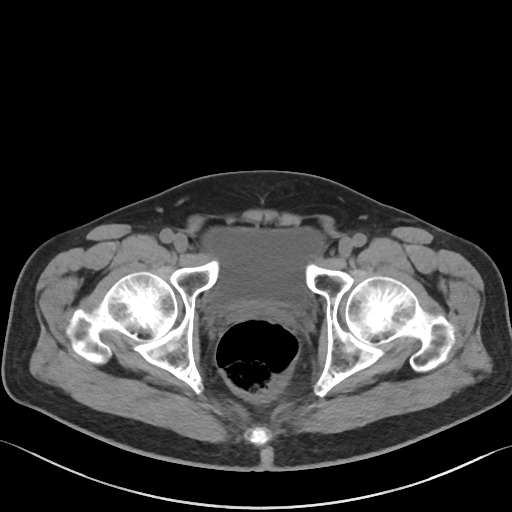

CT abdomen · axial view · soft-tissue window (W 400 / L 40) · 512x512 px
One row per box, in pixels: columns x1 and y1 give the top-left corner, x2 and y2 the bottom-right.
| organ | x1 | y1 | x2 | y2 |
|---|---|---|---|---|
| bladder | 203 | 228 | 323 | 310 |
| prostate/uterus | 244 | 302 | 277 | 315 |